Computed tomography, abdomen. axial view. 14 organs annotated in this scan (a whole-scan count: organs this slice does not pass through have no box)
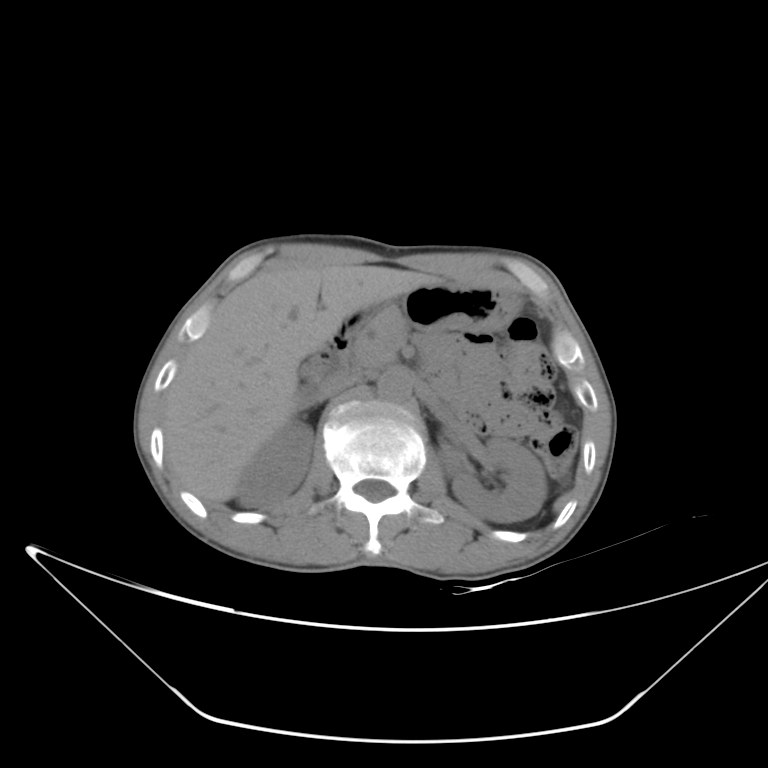 <organs><organ name="left kidney" x1="444" y1="438" x2="547" y2="522"/><organ name="stomach" x1="392" y1="282" x2="519" y2="333"/><organ name="duodenum" x1="301" y1="297" x2="395" y2="395"/><organ name="right kidney" x1="236" y1="422" x2="313" y2="508"/><organ name="gall bladder" x1="297" y1="388" x2="319" y2="410"/><organ name="pancreas" x1="350" y1="311" x2="407" y2="368"/><organ name="inferior vena cava" x1="321" y1="375" x2="358" y2="398"/><organ name="aorta" x1="378" y1="370" x2="411" y2="404"/><organ name="liver" x1="163" y1="265" x2="443" y2="503"/></organs>